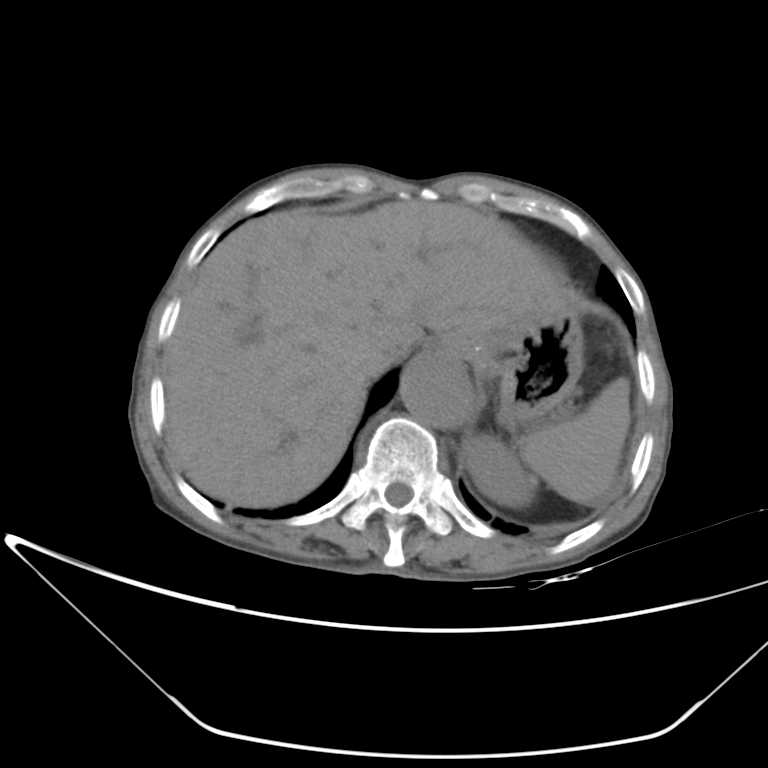

CT, abdomen/pelvis. axial view. W/L 400/40 HU. 768x768 px. 66-year-old male patient. Brilliance16 scanner
One row per box, in pixels: columns x1 and y1 give the top-left corner, x2 and y2 the bottom-right.
| organ | x1 | y1 | x2 | y2 |
|---|---|---|---|---|
| spleen | 520 | 377 | 631 | 504 |
| left kidney | 463 | 435 | 536 | 507 |
| liver | 164 | 201 | 566 | 507 |
| stomach | 429 | 310 | 584 | 426 |
| aorta | 399 | 356 | 473 | 428 |
| inferior vena cava | 361 | 353 | 403 | 379 |